CT abdomen · axial plane, index 102 · 512x512 px · SOMATOM Force scanner
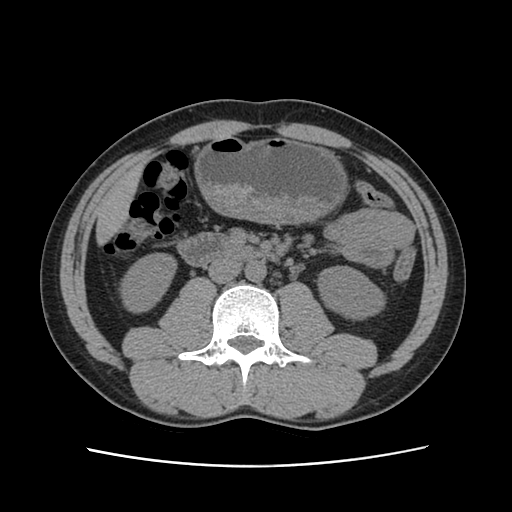 One row per box, in pixels: columns x1 and y1 give the top-left corner, x2 and y2 the bottom-right.
| organ | x1 | y1 | x2 | y2 |
|---|---|---|---|---|
| right kidney | 120 | 253 | 176 | 312 |
| left kidney | 317 | 266 | 385 | 319 |
| liver | 95 | 164 | 142 | 245 |
| stomach | 194 | 137 | 347 | 224 |
| aorta | 244 | 260 | 266 | 281 |
| inferior vena cava | 208 | 258 | 241 | 283 |
| duodenum | 177 | 233 | 276 | 265 |